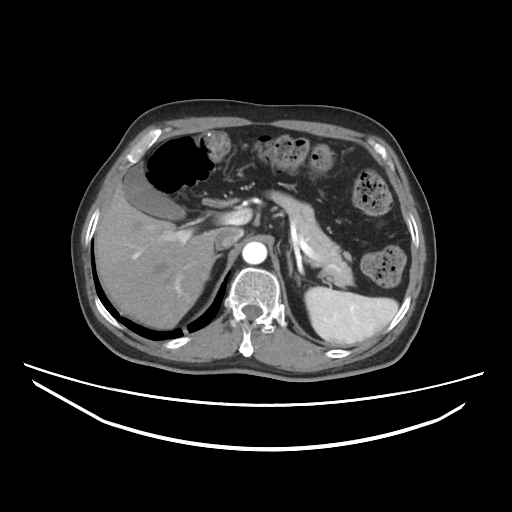
Abdominal CT — axial view — soft-tissue window — 58-year-old male patient
One row per box, in pixels: columns x1 and y1 give the top-left corner, x2 and y2 the bottom-right.
| organ | x1 | y1 | x2 | y2 |
|---|---|---|---|---|
| inferior vena cava | 215 | 227 | 243 | 249 |
| gall bladder | 122 | 163 | 185 | 219 |
| liver | 95 | 182 | 221 | 329 |
| left adrenal gland | 286 | 251 | 292 | 275 |
| duodenum | 203 | 200 | 233 | 205 |
| pancreas | 267 | 190 | 354 | 287 |
| spleen | 304 | 286 | 398 | 345 |
| right adrenal gland | 215 | 254 | 222 | 260 |
| aorta | 242 | 241 | 267 | 264 |